CT of the abdomen reaching into the lower chest, slice just above the liver and spleen · Axial slice 99/101 · 512x512 px · scan has 15 labeled organs (counted over the whole 3D scan, not this slice; an organ is boxed only where this slice passes through it)
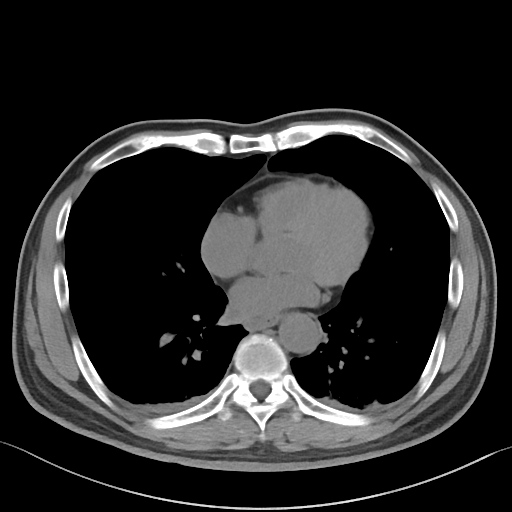

The heart and lungs are never labeled in this dataset, so they have no box on this slice. Each box given as x1,y1,x2,y2. Labeled organs on this slice: esophagus at x1=247, y1=316, x2=277, y2=329, aorta at x1=278, y1=312, x2=320, y2=353.